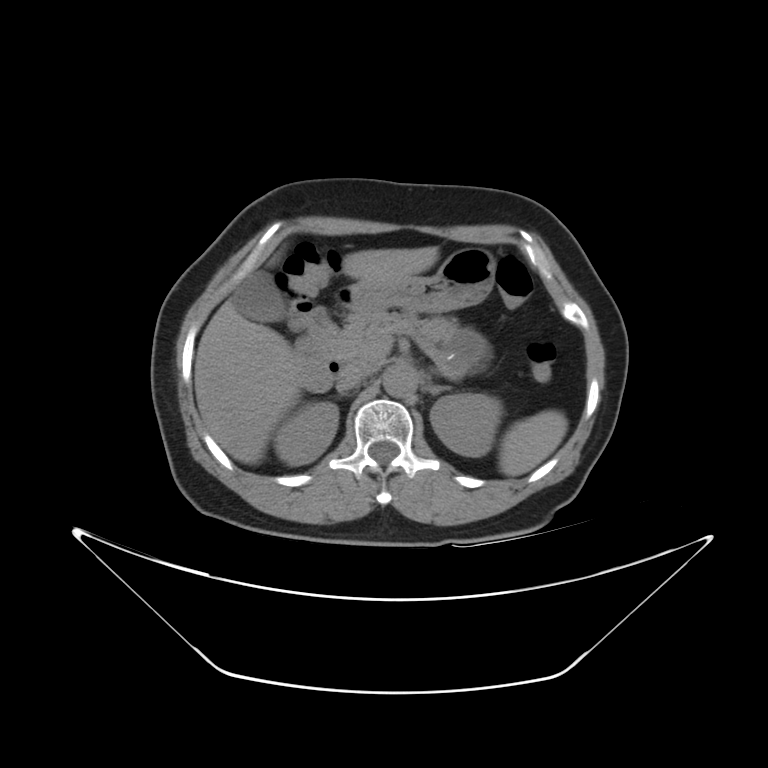
CT, abdomen/pelvis — axial view — soft-tissue window (W 400 / L 40)
{"organs":{"spleen":[499,409,567,475],"right kidney":[276,401,336,462],"left kidney":[429,393,500,458],"gall bladder":[237,273,285,321],"liver":[193,246,438,461],"stomach":[333,246,494,316],"aorta":[383,368,421,397],"inferior vena cava":[335,363,380,394],"pancreas":[326,312,486,372],"left adrenal gland":[430,387,452,394],"duodenum":[293,305,334,392]}}